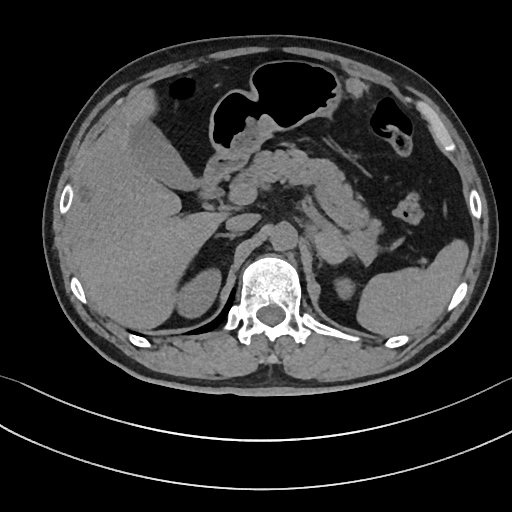

CT, abdomen/pelvis · axial view · 512x512 px · SOMATOM Force scanner · 15 organs annotated in this scan (that count is for the whole scan; organs this slice misses have no box)
Coordinates as <box>x1,y1,x2,y2</box> in pixels.
duodenum: <box>197,156,240,199</box>
stomach: <box>209,60,338,163</box>
inferior vena cava: <box>226,214,259,232</box>
gall bladder: <box>127,117,196,189</box>
liver: <box>67,90,227,329</box>
spleen: <box>358,238,468,335</box>
aorta: <box>270,222,297,250</box>
left kidney: <box>336,277,353,298</box>
pancreas: <box>230,149,381,259</box>
right kidney: <box>175,273,222,318</box>
right adrenal gland: <box>215,233,237,238</box>